Abdominal CT. axial view. 512x512 px. 15 organs annotated in this scan (a whole-scan count: organs this slice does not pass through have no box)
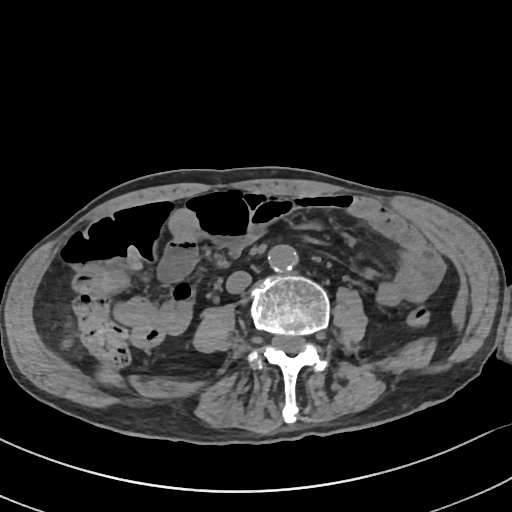
Boxes: x1 y1 x2 y2 (pixel coords, space-separated).
Organ bounding boxes:
- aorta: 267 245 297 271
- inferior vena cava: 226 271 251 293